Chest-level slice from an abdominal CT that extends up into the chest. axial plane, index 233. 512x512 px. 15 organs annotated in this scan (a whole-scan count: organs this slice does not pass through have no box)
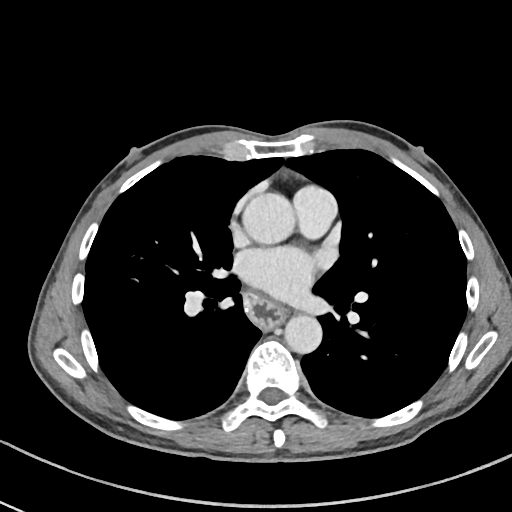

At this level of the chest this dataset labels only the esophagus and the aorta, and each is boxed only where it is labeled; the heart and lungs are never labeled.
Organ boxes in pixel coordinates; each row gives the top-left (x1, y1) and bottom-right (x2, y2) corners.
| organ | x1 | y1 | x2 | y2 |
|---|---|---|---|---|
| esophagus | 243 | 292 | 286 | 330 |
| aorta | 241 | 192 | 294 | 244 |
| aorta | 284 | 316 | 322 | 354 |